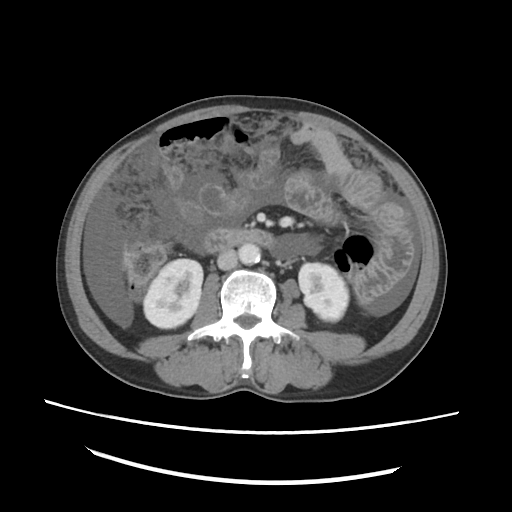 CT, abdomen/pelvis · axial view · 61-year-old male patient
One row per box, in pixels: columns x1 and y1 give the top-left corner, x2 and y2 the bottom-right.
| organ | x1 | y1 | x2 | y2 |
|---|---|---|---|---|
| aorta | 238 | 243 | 260 | 264 |
| duodenum | 204 | 228 | 273 | 252 |
| left kidney | 298 | 263 | 348 | 321 |
| right kidney | 143 | 259 | 202 | 328 |
| inferior vena cava | 217 | 249 | 237 | 269 |